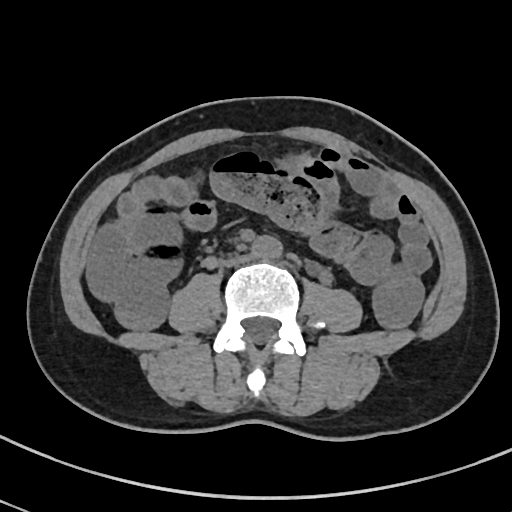

Abdominal CT. axial plane, index 108. abdomen soft-tissue window. acquired on SOMATOM Force. 15 organs annotated in this scan (counted over the whole 3D scan, not this slice; an organ is boxed only where this slice passes through it)
{"organs":{"aorta":[252,236,282,258],"inferior vena cava":[224,256,249,265]}}